CT abdomen. axial view. SOMATOM Force scanner
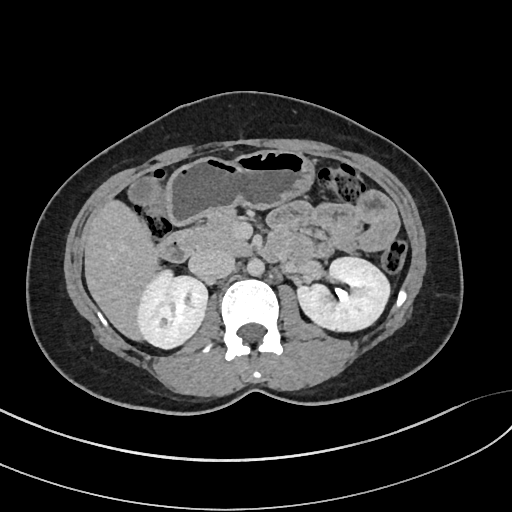 <organs><organ name="gall bladder" x1="128" y1="177" x2="159" y2="203"/><organ name="right kidney" x1="136" y1="269" x2="207" y2="348"/><organ name="stomach" x1="166" y1="150" x2="314" y2="224"/><organ name="pancreas" x1="191" y1="209" x2="250" y2="254"/><organ name="aorta" x1="247" y1="258" x2="264" y2="275"/><organ name="left kidney" x1="298" y1="257" x2="389" y2="331"/><organ name="duodenum" x1="156" y1="229" x2="285" y2="262"/><organ name="liver" x1="84" y1="199" x2="159" y2="340"/><organ name="inferior vena cava" x1="189" y1="250" x2="235" y2="278"/></organs>